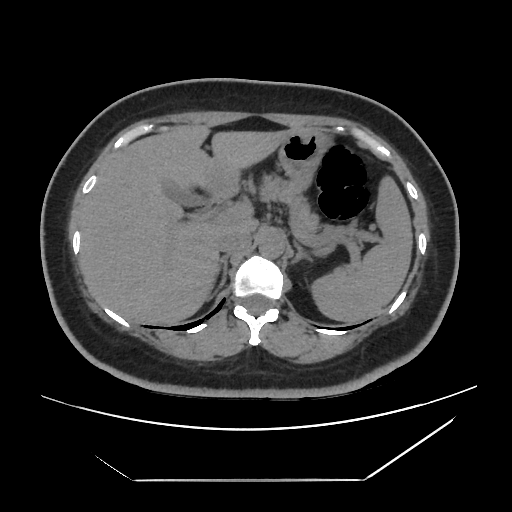

CT abdomen; axial plane, index 252
Boxes: x1:y1:x2:y2 in pixels.
pancreas: 262:177:346:248
inferior vena cava: 217:230:251:253
gall bladder: 158:173:201:208
left adrenal gland: 293:240:313:263
liver: 79:125:292:325
stomach: 195:130:327:197
duodenum: 208:195:233:209
aorta: 258:231:284:257
right adrenal gland: 214:254:228:281
spleen: 314:178:412:322